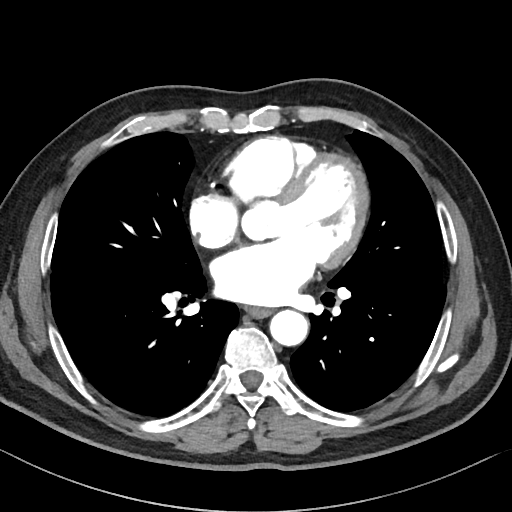

CT of the abdomen reaching into the lower chest, slice just above the liver and spleen — axial view — soft-tissue window — SOMATOM Force scanner
No part of the heart or lungs is labeled in this dataset, so neither has a box here.
{"organs":{"esophagus":[245,306,271,317],"aorta":[269,310,308,345]}}